Magnetic resonance imaging, abdomen; Axial slice 16/72; 576x468 px
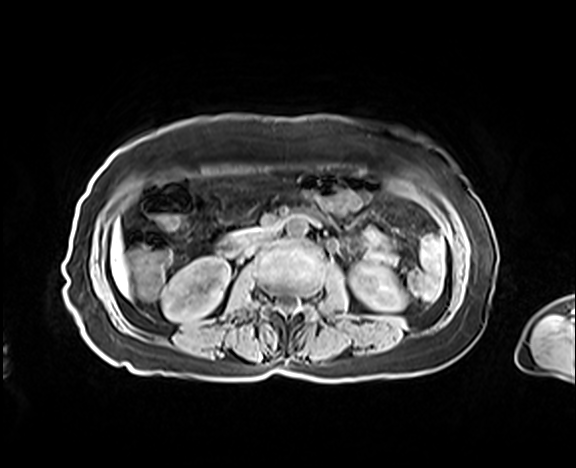

Boxes are (x1, y1, x2, y2) in pixels.
inferior vena cava: (246, 232, 273, 254)
duodenum: (216, 211, 309, 256)
pancreas: (229, 229, 251, 238)
liver: (111, 224, 129, 295)
left kidney: (349, 263, 405, 311)
right kidney: (162, 257, 230, 321)
aorta: (286, 217, 307, 238)